CT abdomen — Axial slice 53/118 — 512x512 px
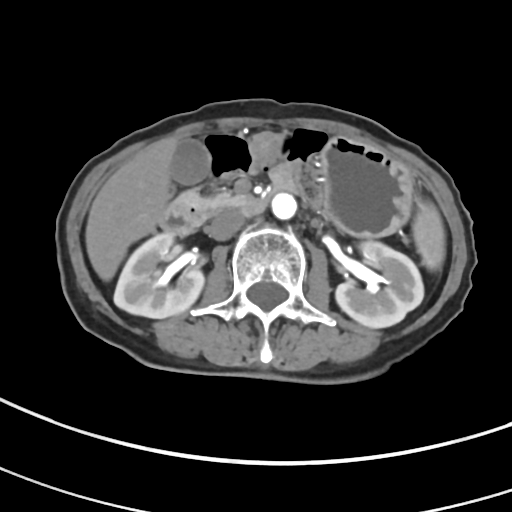
Organ boxes in pixel coordinates; each row gives the top-left (x1, y1) and bottom-right (x2, y2) corners.
| organ | x1 | y1 | x2 | y2 |
|---|---|---|---|---|
| inferior vena cava | 206 | 209 | 246 | 240 |
| right kidney | 113 | 231 | 204 | 318 |
| stomach | 247 | 133 | 411 | 236 |
| aorta | 271 | 193 | 296 | 219 |
| pancreas | 175 | 190 | 248 | 224 |
| duodenum | 159 | 178 | 298 | 233 |
| gall bladder | 170 | 138 | 209 | 184 |
| liver | 85 | 136 | 178 | 280 |
| spleen | 412 | 201 | 445 | 270 |
| left kidney | 335 | 241 | 423 | 327 |